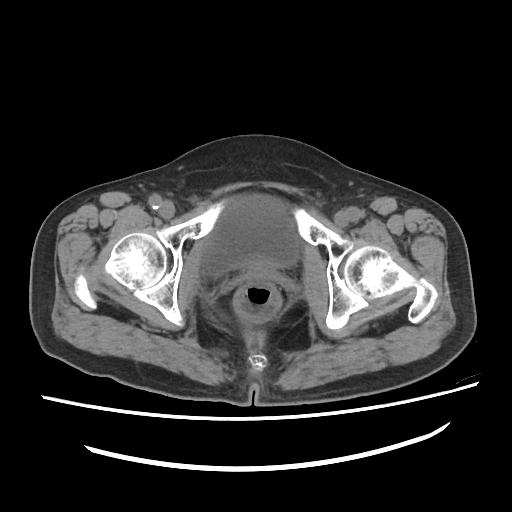
CT abdomen. axial view. 512x512 px. 61-year-old female patient. acquired on Aquilion ONE
<organs><organ name="bladder" x1="203" y1="195" x2="299" y2="274"/></organs>